Abdominal CT reaching into the chest; this slice is in the chest. axial plane, index 98. W/L 400/40 HU. 512x512 px
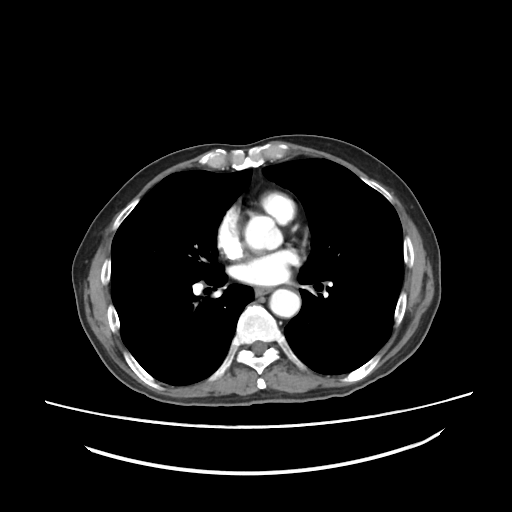

At this level of the chest this dataset labels only the esophagus and the aorta, and each is boxed only where it is labeled; the heart and lungs are never labeled.
Organ boxes in pixel coordinates; each row gives the top-left (x1, y1) and bottom-right (x2, y2) corners.
| organ | x1 | y1 | x2 | y2 |
|---|---|---|---|---|
| esophagus | 255 | 287 | 269 | 294 |
| aorta | 269 | 288 | 300 | 317 |